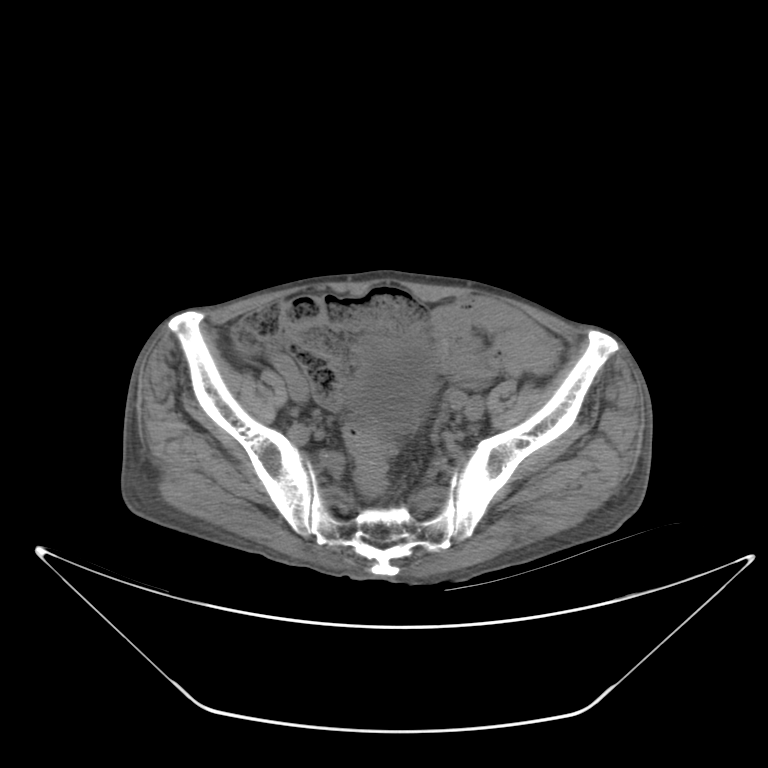
Abdominal CT; axial view; abdomen soft-tissue window; 68-year-old male patient
{"organs":{"bladder":[353,339,435,437]}}